Computed tomography, abdomen. axial view. W/L 400/40 HU. Aquilion ONE scanner
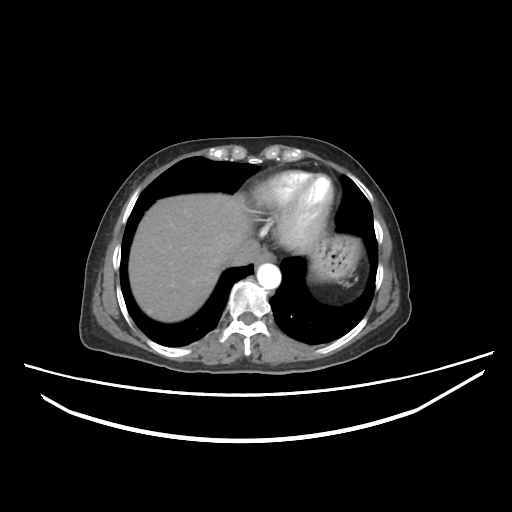
Coordinates as <box>x1,y1,x2,y2</box> in pixels.
Organ bounding boxes:
- esophagus: <box>256,249,274,262</box>
- liver: <box>128,193,253,322</box>
- stomach: <box>311,233,359,281</box>
- aorta: <box>256,263,280,288</box>
- inferior vena cava: <box>227,240,260,265</box>